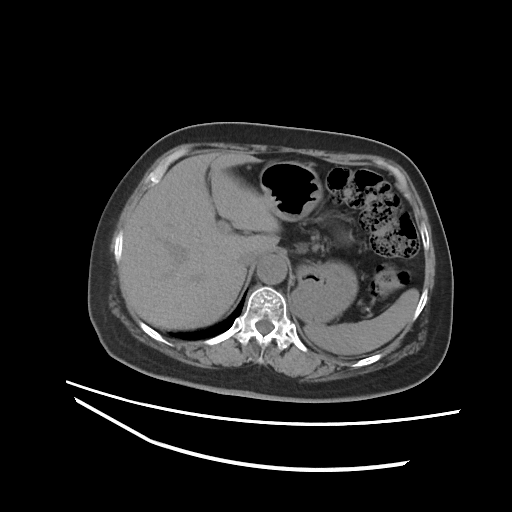 CT, abdomen/pelvis — Axial slice 71/84 — 15 organs annotated in this scan (counted over the whole 3D scan, not this slice; an organ is boxed only where this slice passes through it)
<organs><organ name="liver" x1="120" y1="152" x2="279" y2="329"/><organ name="aorta" x1="257" y1="255" x2="287" y2="284"/><organ name="spleen" x1="304" y1="288" x2="419" y2="354"/><organ name="stomach" x1="259" y1="161" x2="357" y2="324"/><organ name="inferior vena cava" x1="238" y1="248" x2="261" y2="266"/></organs>